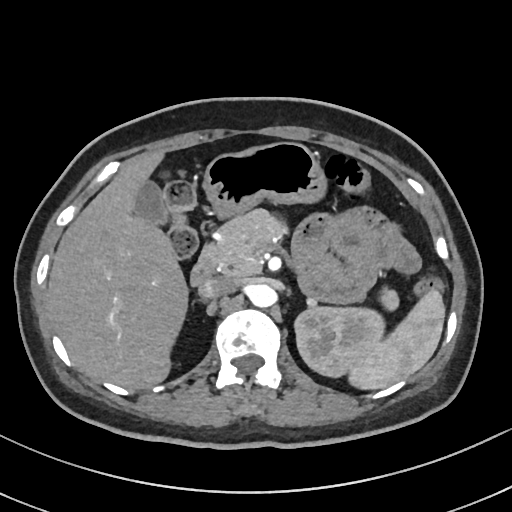 CT, abdomen/pelvis — axial view — abdomen soft-tissue window
{"organs":{"gall bladder":[134,182,164,222],"aorta":[248,284,275,306],"pancreas":[206,209,395,304],"liver":[48,152,186,388],"stomach":[205,141,323,214],"inferior vena cava":[198,276,236,299],"left kidney":[293,305,386,378],"duodenum":[191,246,214,284],"spleen":[345,291,444,388]}}